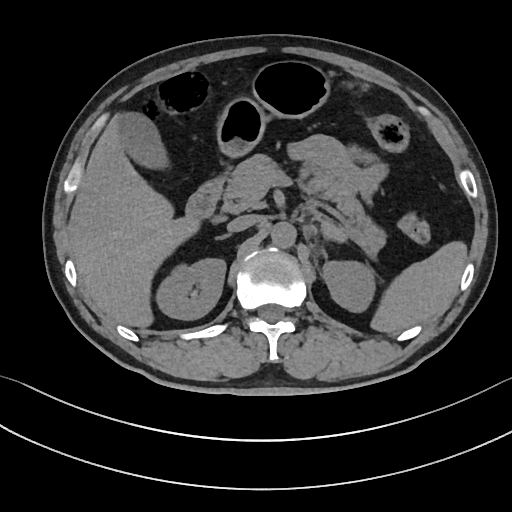
Abdominal CT — axial view — W/L 400/40 HU
Boxes: x1 y1 x2 y2 (pixel coords, space-separated). Labeled organs on this slice: inferior vena cava at 227 214 259 232, spleen at 371 241 467 333, pancreas at 223 154 386 251, liver at 68 116 198 327, left kidney at 322 260 375 312, stomach at 216 60 329 157, right adrenal gland at 220 234 229 238, aorta at 270 221 296 248, duodenum at 185 178 223 223, gall bladder at 116 112 168 168, right kidney at 156 258 226 319.